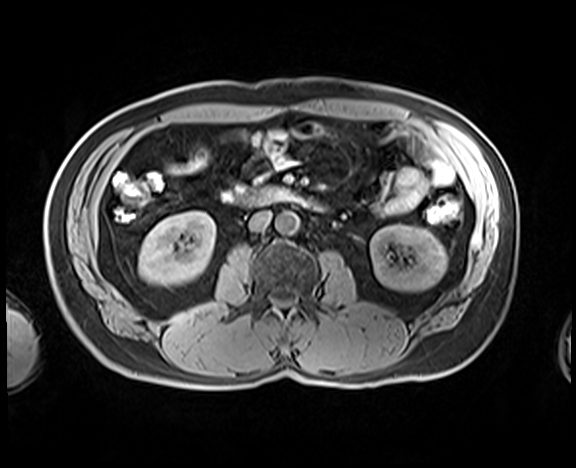 Abdominal MR · axial view · 576x468 px
One row per box, in pixels: columns x1 and y1 give the top-left corner, x2 and y2 the bottom-right.
| organ | x1 | y1 | x2 | y2 |
|---|---|---|---|---|
| right kidney | 138 | 211 | 215 | 285 |
| left kidney | 370 | 224 | 447 | 292 |
| aorta | 275 | 211 | 299 | 234 |
| inferior vena cava | 248 | 211 | 271 | 231 |
| duodenum | 245 | 187 | 325 | 211 |